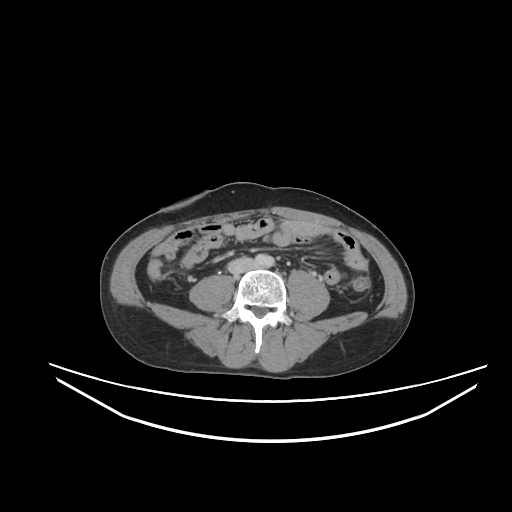 CT, abdomen/pelvis — axial view — soft-tissue window (W 400 / L 40) — 512x512 px — acquired on Aquilion ONE
Organ boxes in pixel coordinates; each row gives the top-left (x1, y1) and bottom-right (x2, y2) corners.
| organ | x1 | y1 | x2 | y2 |
|---|---|---|---|---|
| inferior vena cava | 227 | 257 | 255 | 274 |